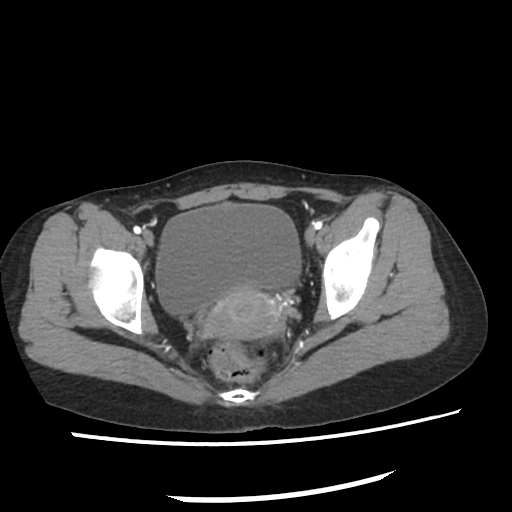

CT abdomen · axial plane, index 17 · abdomen soft-tissue window
{"organs":{"prostate/uterus":[211,291,275,341],"bladder":[156,204,302,313]}}